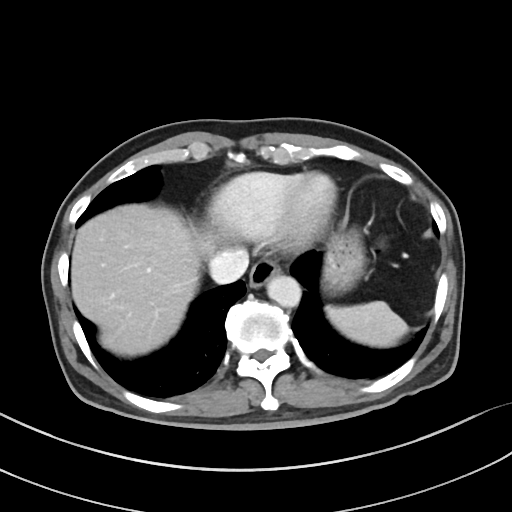
CT, abdomen/pelvis. axial plane, index 79
Boxes: x1 y1 x2 y2 (pixel coords, space-separated). The annotated organs in this slice are: aorta at 266 274 301 307, spleen at 326 301 408 347, liver at 71 204 214 356, inferior vena cava at 209 249 248 283, stomach at 322 229 365 293, esophagus at 249 258 279 288.